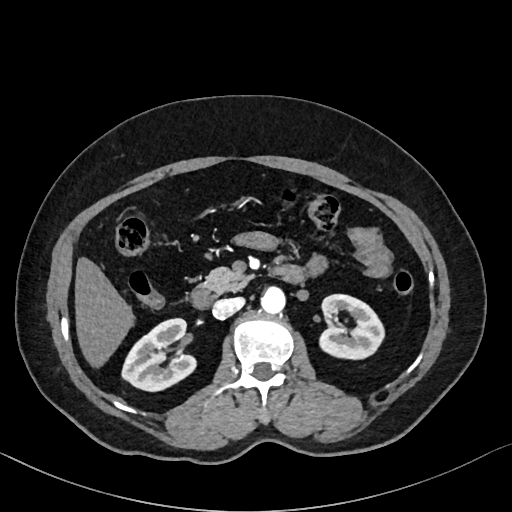
Abdominal CT · axial view · 512x512 px · 15 organs annotated in this scan (that count is for the whole scan; organs this slice misses have no box)
{"organs":{"right kidney":[121,318,194,390],"left kidney":[321,294,383,357],"liver":[75,258,133,364],"aorta":[261,285,285,314],"inferior vena cava":[213,297,244,318],"pancreas":[203,268,254,292],"duodenum":[192,266,304,308]}}